CT, abdomen/pelvis — axial view — 512x512 px — SOMATOM Force scanner — scan has 15 labeled organs (a whole-scan count: organs this slice does not pass through have no box)
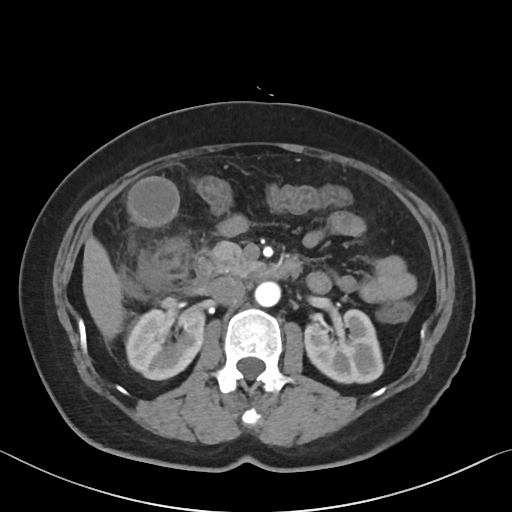 Organ boxes in pixel coordinates; each row gives the top-left (x1, y1) and bottom-right (x2, y2) corners.
| organ | x1 | y1 | x2 | y2 |
|---|---|---|---|---|
| right kidney | 126 | 309 | 204 | 379 |
| left kidney | 305 | 309 | 383 | 383 |
| gall bladder | 129 | 178 | 178 | 224 |
| liver | 82 | 235 | 124 | 340 |
| aorta | 254 | 281 | 280 | 306 |
| inferior vena cava | 208 | 276 | 245 | 306 |
| pancreas | 211 | 241 | 260 | 276 |
| duodenum | 193 | 250 | 301 | 286 |